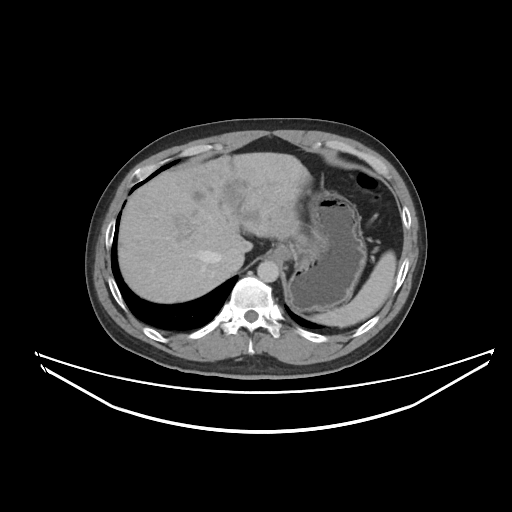

Abdominal CT · axial view · Aquilion ONE scanner
{"organs":{"aorta":[257,260,279,282],"liver":[118,152,311,303],"esophagus":[273,241,291,261],"inferior vena cava":[220,248,244,272],"spleen":[311,251,396,327],"stomach":[287,190,366,311]}}